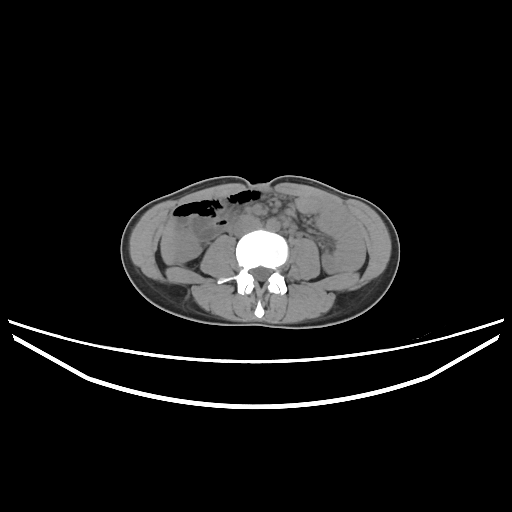
CT, abdomen/pelvis; axial view; soft-tissue window (W 400 / L 40); 512x512 px; 31-year-old female patient
<organs><organ name="liver" x1="161" y1="220" x2="174" y2="264"/><organ name="aorta" x1="266" y1="218" x2="280" y2="231"/><organ name="inferior vena cava" x1="232" y1="217" x2="261" y2="236"/></organs>